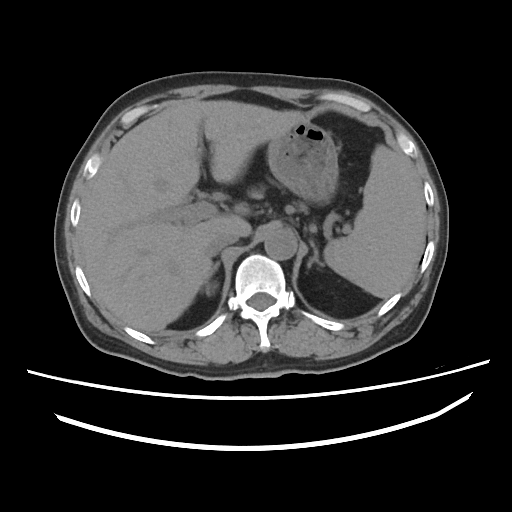
CT abdomen — axial view — W/L 400/40 HU — 48-year-old male patient
Bounding boxes as [x1, y1, x2, y2] in pixel coordinates.
Organ bounding boxes:
- spleen: [324, 144, 426, 298]
- liver: [82, 100, 304, 332]
- stomach: [267, 121, 338, 204]
- aorta: [264, 228, 297, 259]
- inferior vena cava: [205, 232, 237, 256]
- right adrenal gland: [205, 262, 219, 295]
- left adrenal gland: [307, 242, 323, 267]